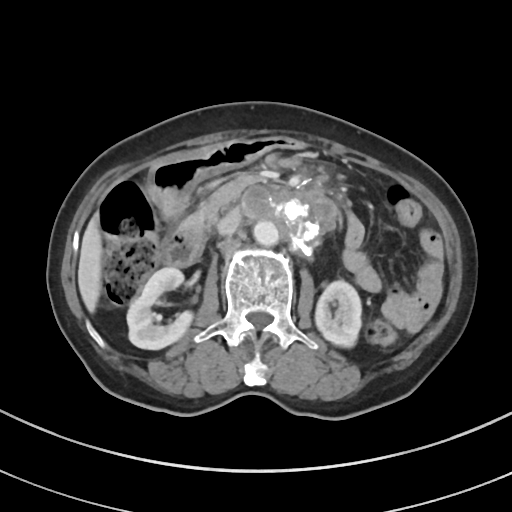

CT abdomen — axial view — soft-tissue window — 512x512 px
Boxes: x1 y1 x2 y2 (pixel coords, space-separated). 8 labeled organs on this slice — right kidney at 127 267 192 349; left kidney at 315 280 361 347; liver at 78 214 102 312; stomach at 148 136 305 219; aorta at 253 220 278 245; inferior vena cava at 218 210 240 235; pancreas at 182 176 250 227; duodenum at 162 208 365 266.